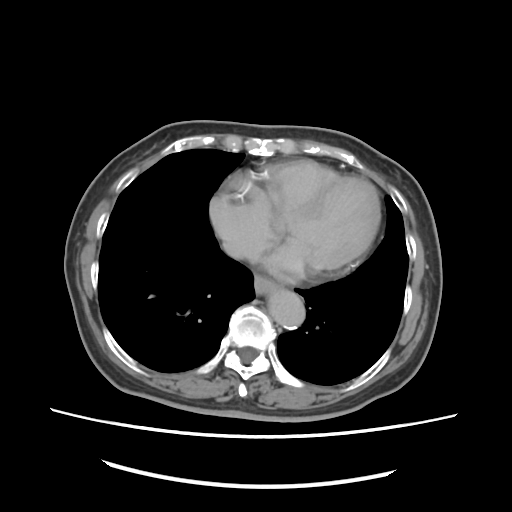

Abdominal CT; this slice is in the lower chest, just above the liver · axial view · soft-tissue window (W 400 / L 40) · 76-year-old female patient
Of the structures in the chest, this dataset labels only the esophagus, the aorta and the inferior vena cava; the heart and lungs have no label.
Boxes: x1:y1:x2:y2 in pixels.
Organ bounding boxes:
- aorta: 270:290:304:327
- esophagus: 255:275:277:295
- inferior vena cava: 222:240:260:261